Lower-chest slice from an abdominal CT, just above the liver and spleen — axial view
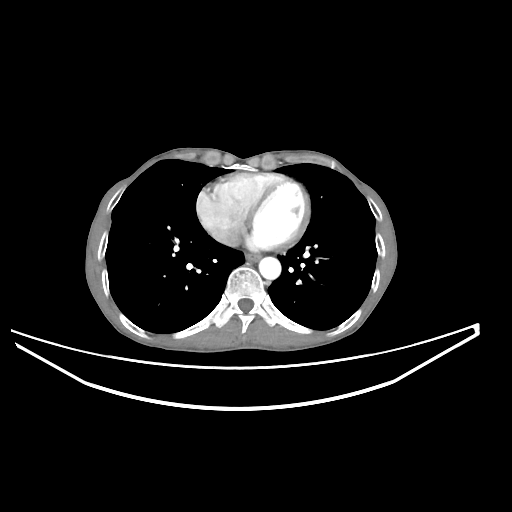

No part of the heart or lungs is labeled in this dataset, so neither has a box here.
{"organs":{"esophagus":[245,254,260,261],"aorta":[259,257,281,279],"inferior vena cava":[212,230,234,245]}}